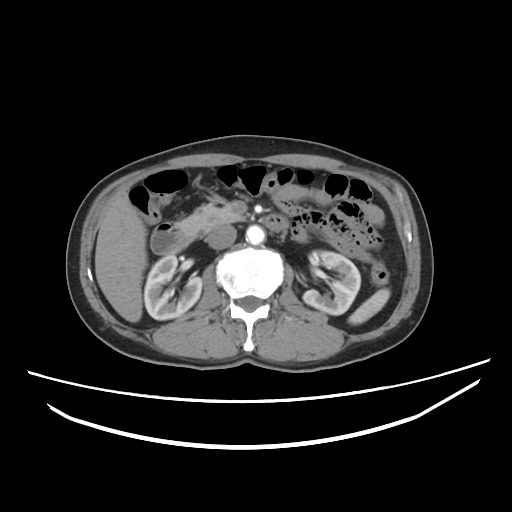

CT abdomen — axial view — W/L 400/40 HU
Bounding boxes as [x1, y1, x2, y2] in pixel coordinates.
pancreas: [179, 200, 247, 236]
aorta: [246, 225, 265, 244]
inferior vena cava: [205, 224, 236, 249]
duodenum: [150, 214, 288, 254]
liver: [95, 191, 146, 322]
spleen: [348, 288, 390, 324]
right kidney: [144, 254, 202, 320]
left kidney: [303, 251, 360, 315]